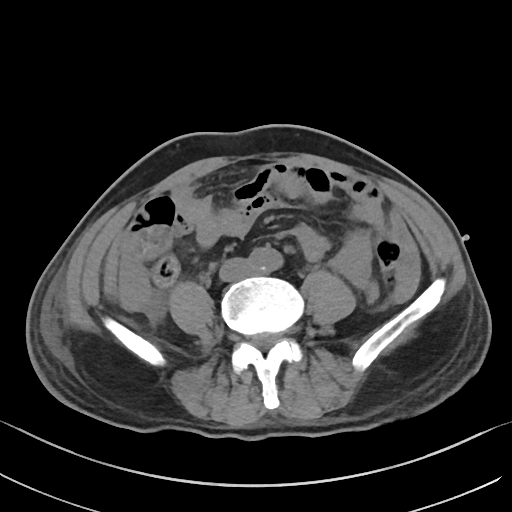
CT abdomen — Axial slice 38/100 — soft-tissue window — 512x512 px — 15 organs annotated in this scan (a whole-scan count: organs this slice does not pass through have no box)
Each box given as x1,y1,x2,y2.
aorta: x1=247, y1=247, x2=282, y2=272
inferior vena cava: x1=219, y1=257, x2=252, y2=281